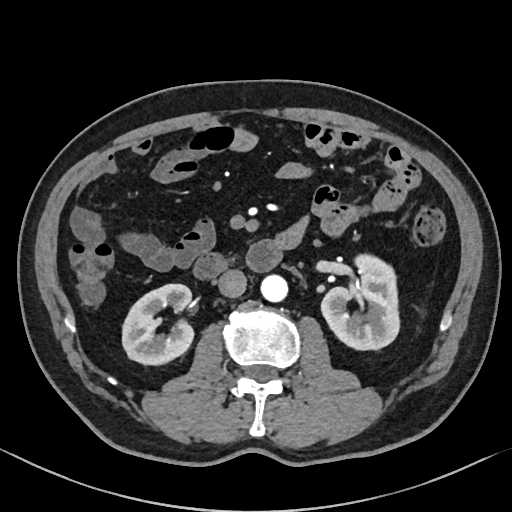

Computed tomography, abdomen; axial view; abdomen soft-tissue window; 512x512 px; SOMATOM Force scanner; scan has 15 labeled organs (that count is for the whole scan; organs this slice misses have no box)
Coordinates as <box>x1,y1,x2,y2</box> in pixels.
Organ bounding boxes:
- right kidney: <box>123,283,193,363</box>
- left kidney: <box>321,253,401,349</box>
- aorta: <box>260,274,287,301</box>
- inferior vena cava: <box>217,269,246,297</box>
- duodenum: <box>194,240,282,277</box>